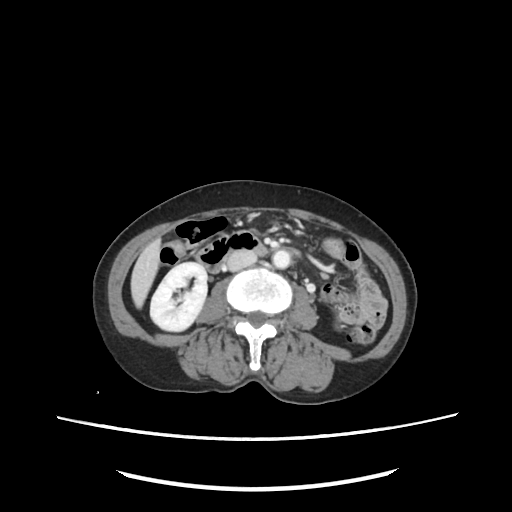 Abdominal CT; axial plane, index 51; abdomen soft-tissue window; acquired on Aquilion ONE
Bounding boxes as [x1, y1, x2, y2] in pixel coordinates.
right kidney: [149, 263, 206, 331]
liver: [130, 238, 160, 308]
aorta: [274, 250, 290, 268]
inferior vena cava: [226, 252, 256, 270]
duodenum: [196, 231, 269, 272]